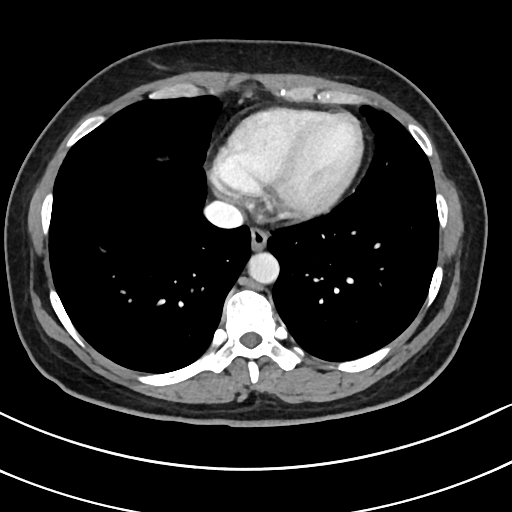
Lower-chest slice from an abdominal CT, just above the liver and spleen. axial view. soft-tissue window, W/L 400/40
No part of the heart or lungs is labeled in this dataset, so neither has a box here. Each box given as x1,y1,x2,y2. The annotated organs in this slice are: esophagus at x1=249, y1=230, x2=267, y2=251, aorta at x1=248, y1=253, x2=279, y2=285, inferior vena cava at x1=205, y1=201, x2=243, y2=228.